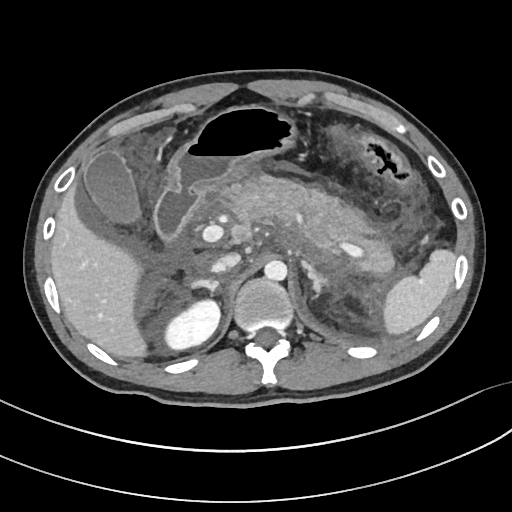

Computed tomography, abdomen — Axial slice 177/251 — 512x512 px
Bounding boxes as [x1, y1, x2, y2] in pixel coordinates. Labeled organs on this slice: spleen at [383, 249, 455, 334], right kidney at [164, 299, 220, 349], gall bladder at [84, 150, 140, 223], liver at [50, 185, 146, 357], stomach at [167, 105, 298, 196], aorta at [264, 260, 287, 281], inferior vena cava at [211, 253, 240, 273], pancreas at [222, 176, 394, 274], right adrenal gland at [191, 279, 219, 292], left adrenal gland at [301, 261, 328, 292], duodenum at [154, 189, 200, 242].